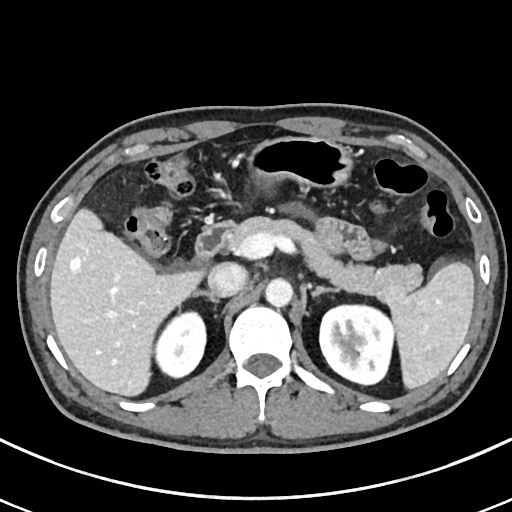 Abdominal CT — axial view
Boxes: x1:y1:x2:y2 in pixels.
spleen: 392:262:474:389
right kidney: 155:311:205:377
left kidney: 320:305:393:384
liver: 50:208:204:396
stomach: 247:136:352:188
aorta: 265:278:293:307
inferior vena cava: 208:263:247:296
pancreas: 228:216:421:308
right adrenal gland: 190:291:219:303
left adrenal gland: 311:286:342:296
duodenum: 195:222:229:260